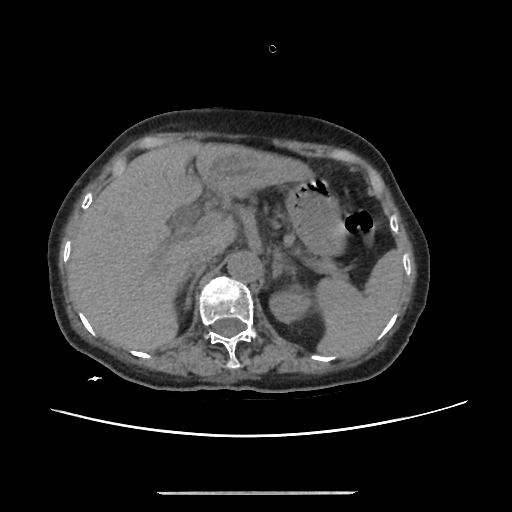 Abdominal CT · axial view · scan has 14 labeled organs (a whole-scan count: organs this slice does not pass through have no box)
{"organs":{"liver":[68,141,313,350],"inferior vena cava":[188,245,222,271],"spleen":[317,249,403,356],"aorta":[227,250,261,281],"pancreas":[311,256,344,279],"left kidney":[269,291,311,323],"left adrenal gland":[270,250,283,276],"stomach":[285,177,344,254],"right adrenal gland":[179,270,202,310]}}